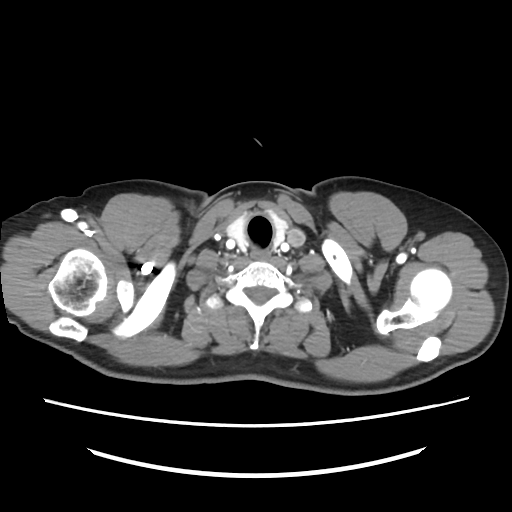
Chest-level CT slice, above the liver and spleen. axial view
On a slice this high in the chest, this dataset labels only the esophagus and the aorta, and each is boxed only where it is labeled; the heart, lungs and other chest structures are not labeled.
<organs><organ name="esophagus" x1="250" y1="251" x2="269" y2="259"/></organs>